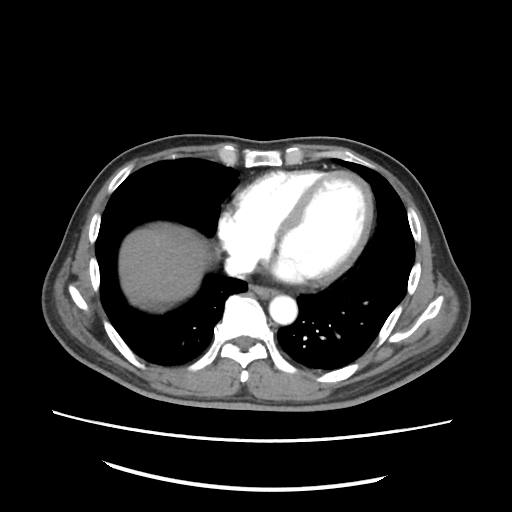

Computed tomography, abdomen. Axial slice 95/98. soft-tissue window (W 400 / L 40). 512x512 px. 54-year-old male patient
Boxes: x1 y1 x2 y2 (pixel coords, space-separated).
Organ bounding boxes:
- esophagus: 249 284 279 298
- liver: 119 222 212 313
- aorta: 269 295 296 324
- inferior vena cava: 225 254 256 275